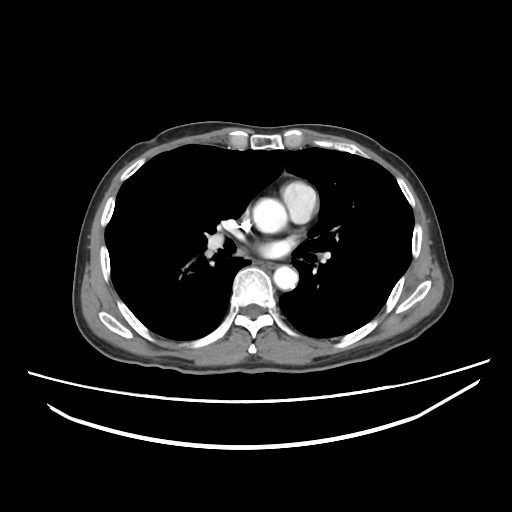
Chest-level CT slice, above the liver and spleen; axial view; 63-year-old male patient; Aquilion ONE scanner
At this level of the chest no structure but the esophagus and the aorta has a label in this dataset, and those two are boxed only where they are labeled.
Boxes are (x1, y1, x2, y2) in pixels.
esophagus: (262, 259, 275, 268)
aorta: (253, 198, 287, 233)
aorta: (273, 266, 298, 289)